CT, abdomen/pelvis. axial plane, index 81. soft-tissue window. 512x512 px. 14 organs annotated in this scan (a whole-scan count: organs this slice does not pass through have no box)
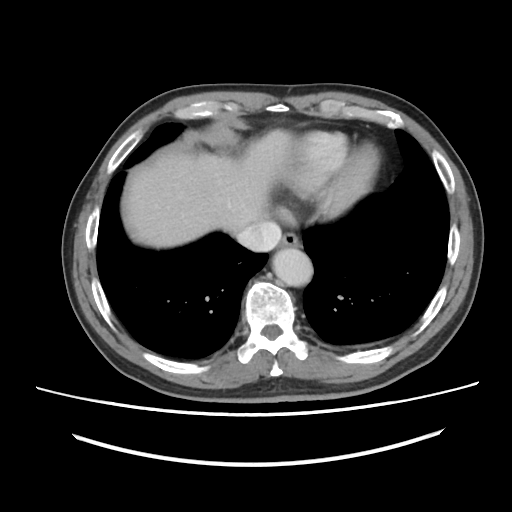

Organ boxes in pixel coordinates; each row gives the top-left (x1, y1) and bottom-right (x2, y2) corners.
| organ | x1 | y1 | x2 | y2 |
|---|---|---|---|---|
| esophagus | 280 | 233 | 299 | 248 |
| liver | 122 | 129 | 292 | 247 |
| aorta | 273 | 248 | 312 | 286 |
| inferior vena cava | 236 | 221 | 281 | 251 |